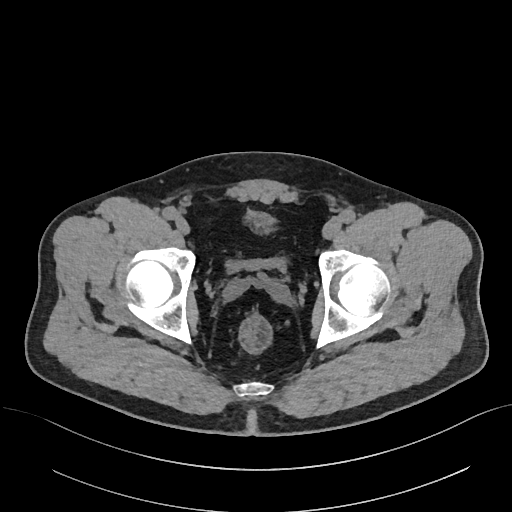

Computed tomography, abdomen · axial plane, index 41 · scan has 15 labeled organs (counted over the whole 3D scan, not this slice; an organ is boxed only where this slice passes through it)
Boxes: x1:y1:x2:y2 in pixels.
Organ bounding boxes:
- bladder: 226:212:283:270